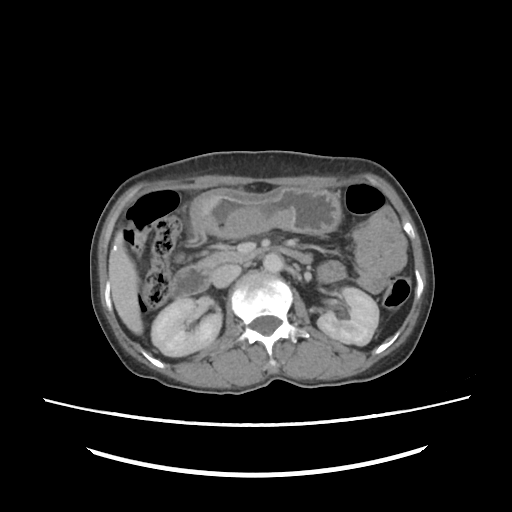

CT, abdomen/pelvis · Axial slice 66/92 · abdomen soft-tissue window · scan has 15 labeled organs (counted over the whole 3D scan, not this slice; an organ is boxed only where this slice passes through it)
Boxes: x1:y1:x2:y2 in pixels.
inferior vena cava: 211:263:240:287
stomach: 189:185:342:238
duodenum: 169:247:312:298
right kidney: 151:298:221:356
liver: 109:230:142:333
pancreas: 196:252:258:269
left kidney: 318:286:378:345
aorta: 262:254:282:272